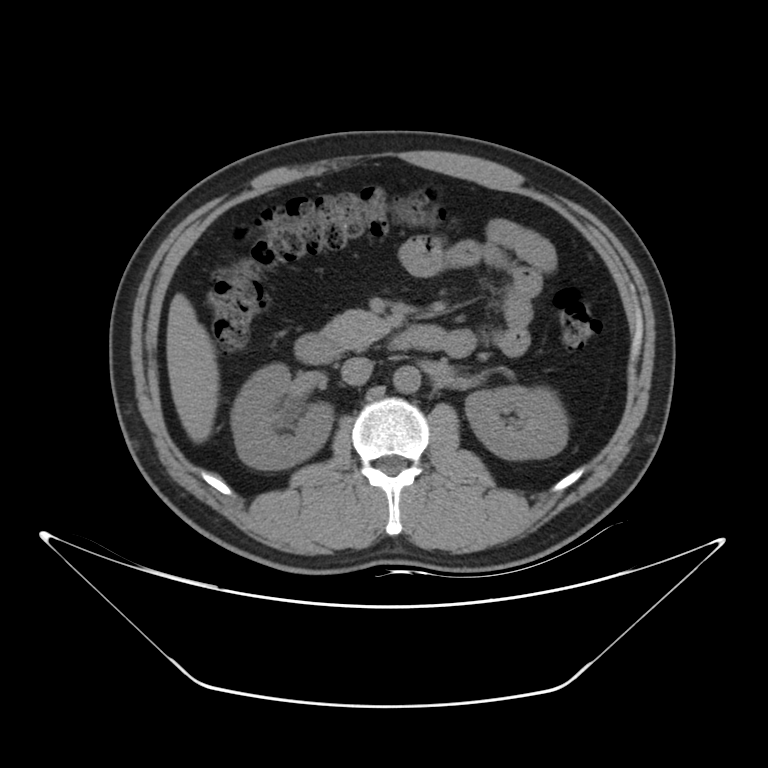
Abdominal CT; axial view
Organ boxes in pixel coordinates; each row gives the top-left (x1, y1) and bottom-right (x2, y2) corners.
| organ | x1 | y1 | x2 | y2 |
|---|---|---|---|---|
| left kidney | 464 | 386 | 568 | 460 |
| duodenum | 295 | 325 | 443 | 364 |
| aorta | 392 | 365 | 420 | 393 |
| inferior vena cava | 341 | 358 | 372 | 385 |
| pancreas | 323 | 310 | 391 | 350 |
| right kidney | 230 | 363 | 332 | 469 |
| liver | 166 | 293 | 219 | 443 |